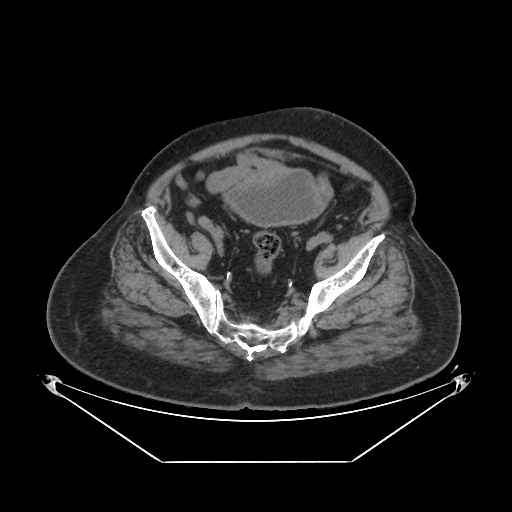

Computed tomography, abdomen — axial plane, index 81 — 512x512 px
Boxes are (x1, y1, x2, y2) in pixels.
bladder: (226, 170, 323, 226)